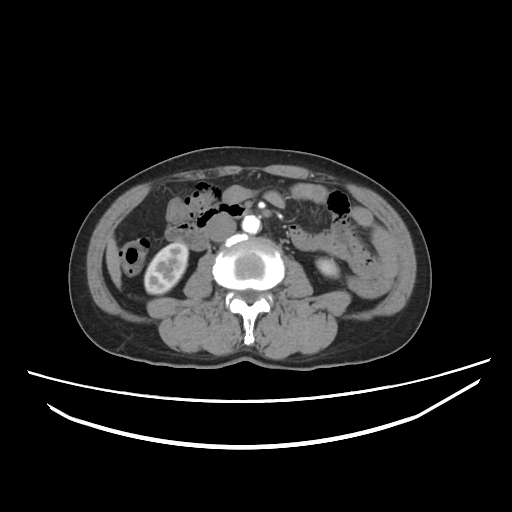
CT, abdomen/pelvis · Axial slice 25/109 · 512x512 px
{"organs":{"right kidney":[144,243,188,294],"left kidney":[316,258,338,276],"liver":[106,236,121,288],"aorta":[242,215,260,233],"inferior vena cava":[208,216,236,241],"duodenum":[165,204,247,250]}}